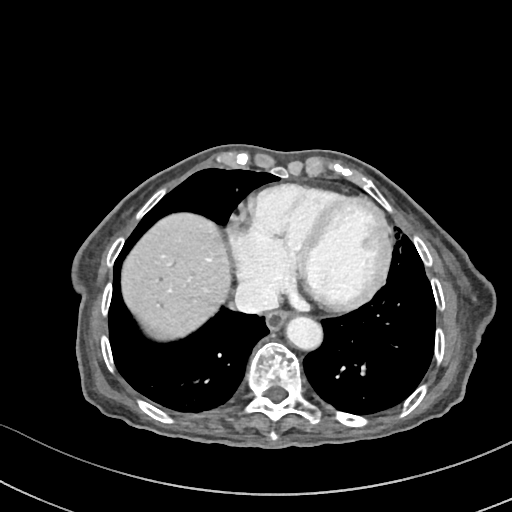 CT abdomen · axial view · scan has 15 labeled organs (a whole-scan count: organs this slice does not pass through have no box)
Organ boxes in pixel coordinates; each row gives the top-left (x1, y1) and bottom-right (x2, y2) corners.
| organ | x1 | y1 | x2 | y2 |
|---|---|---|---|---|
| esophagus | 266 | 310 | 291 | 330 |
| liver | 121 | 213 | 230 | 339 |
| aorta | 285 | 316 | 322 | 350 |
| inferior vena cava | 235 | 280 | 278 | 313 |